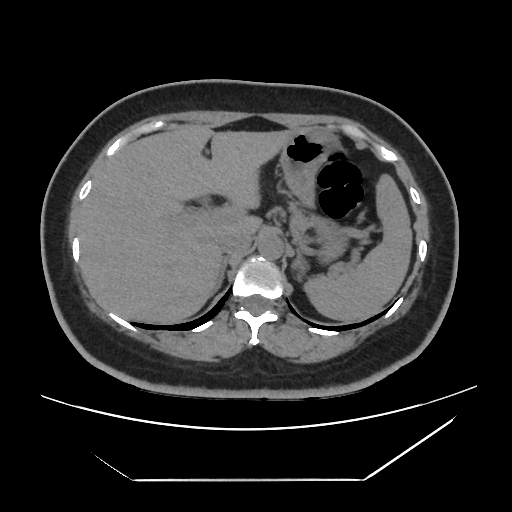

Abdominal CT; axial plane, index 256; W/L 400/40 HU; scan has 15 labeled organs (a whole-scan count: organs this slice does not pass through have no box)
Boxes: x1:y1:x2:y2 in pixels.
aorta: 258:232:284:258
spleen: 305:175:412:322
liver: 79:125:295:324
stomach: 279:128:343:258
left adrenal gland: 291:246:302:265
pancreas: 289:199:317:240
right adrenal gland: 212:256:228:294
inferior vena cava: 217:231:251:253